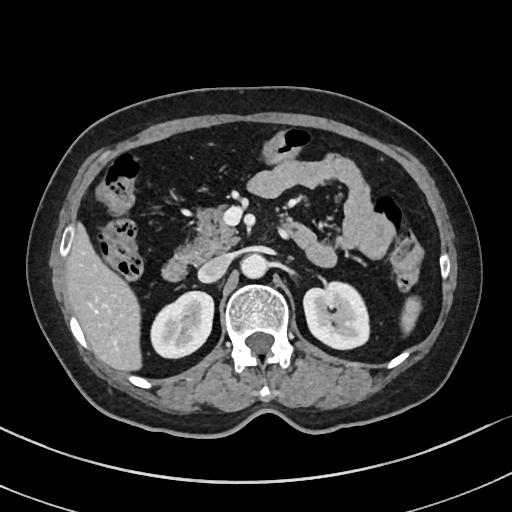 CT, abdomen/pelvis; axial plane, index 163; abdomen soft-tissue window
Boxes: x1:y1:x2:y2 in pixels.
duodenum: 162:227:312:281
liver: 66:223:141:371
aorta: 241:253:267:278
pancreas: 180:206:238:261
inferior vena cava: 198:254:231:282
spleen: 401:296:421:333
left kidney: 303:282:369:349
right kidney: 150:291:213:358